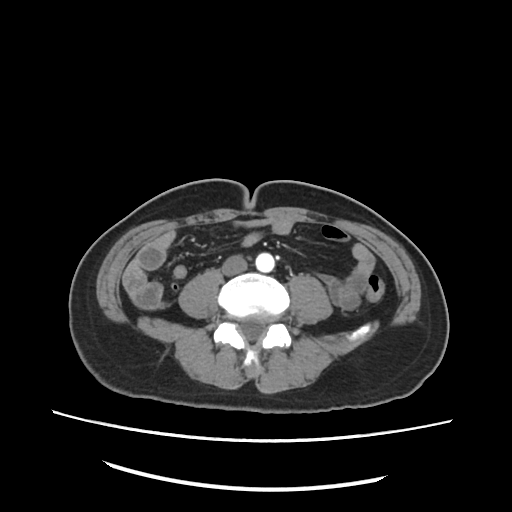

Abdominal CT; axial view; soft-tissue window; 512x512 px
Boxes: x1 y1 x2 y2 (pixel coords, space-separated).
aorta: 256 252 276 272
inferior vena cava: 223 254 246 275